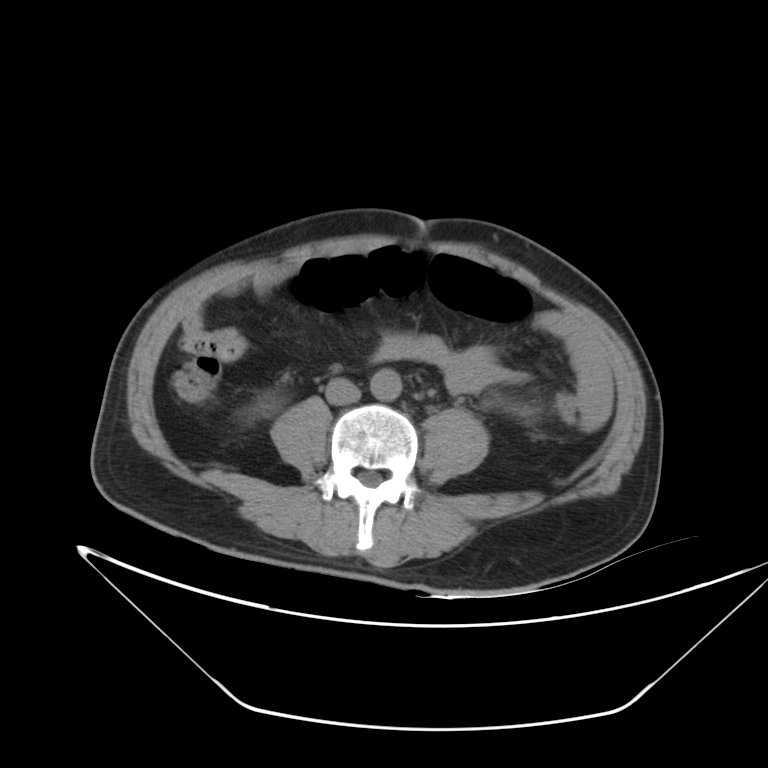 Abdominal CT — Axial slice 51/107 — 768x768 px — 47-year-old male patient — acquired on Brilliance16
Boxes are (x1, y1, x2, y2) in pixels.
Organ bounding boxes:
- inferior vena cava: (326, 378, 360, 404)
- aorta: (370, 369, 401, 401)